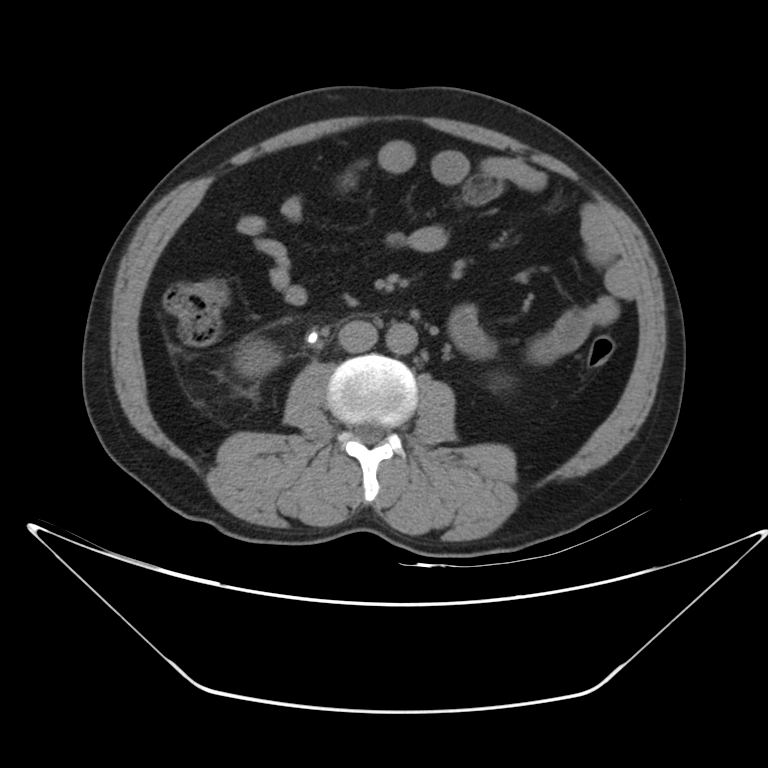
Abdominal CT · Axial slice 53/87 · soft-tissue window
<organs><organ name="right kidney" x1="235" y1="338" x2="280" y2="377"/><organ name="aorta" x1="385" y1="323" x2="416" y2="354"/><organ name="inferior vena cava" x1="338" y1="320" x2="377" y2="352"/></organs>